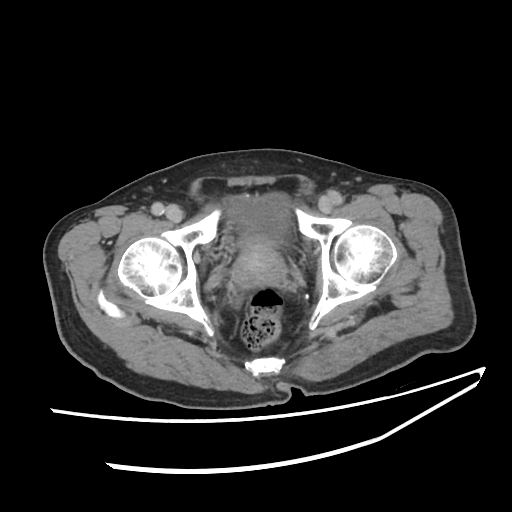
Computed tomography, abdomen. axial view. 512x512 px
Organ boxes in pixel coordinates; each row gives the top-left (x1, y1) and bottom-right (x2, y2) corners.
| organ | x1 | y1 | x2 | y2 |
|---|---|---|---|---|
| prostate/uterus | 231 | 245 | 289 | 288 |
| bladder | 224 | 192 | 290 | 247 |